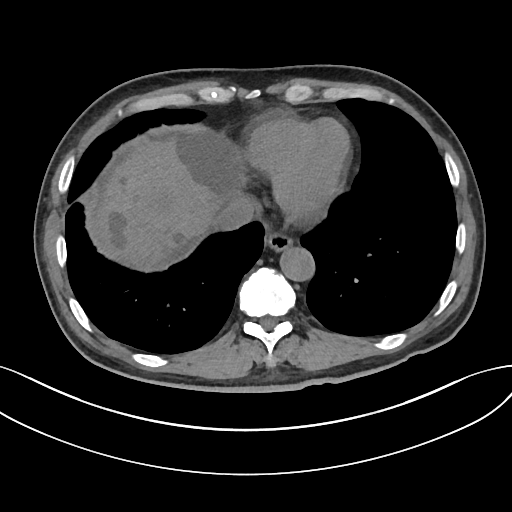

Abdominal CT; axial view; soft-tissue window; 512x512 px; SOMATOM Force scanner
Coordinates as <box>x1,y1,x2,y2</box> in pixels.
esophagus: <box>265,233,293,250</box>
liver: <box>99,132,243,265</box>
aorta: <box>279,246,314,280</box>
inferior vena cava: <box>213,194,256,231</box>